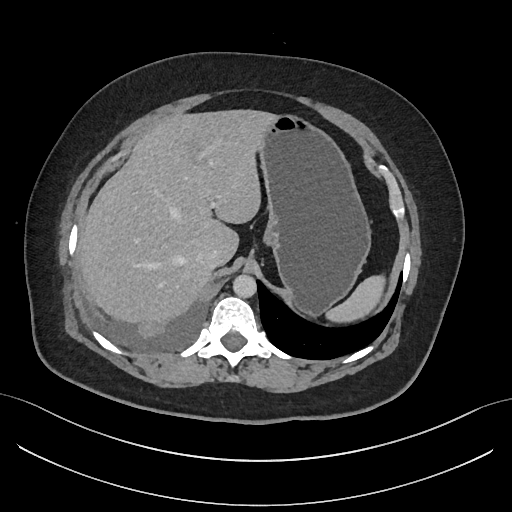

CT, abdomen/pelvis · axial view · 512x512 px
Boxes: x1:y1:x2:y2 in pixels.
spleen: 326:276:385:321
liver: 78:110:278:322
stomach: 260:117:371:314
aorta: 232:274:256:297
inferior vena cava: 196:247:221:269